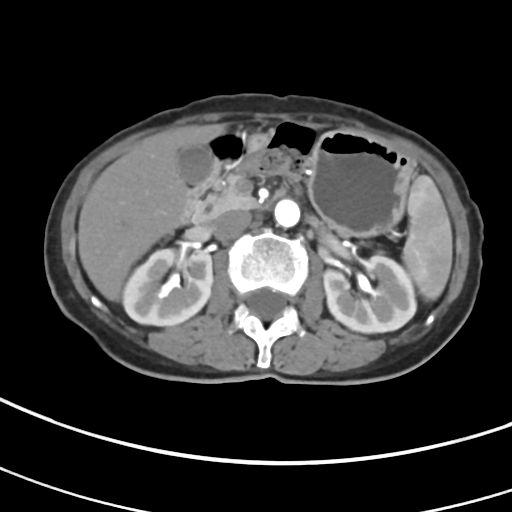

Computed tomography, abdomen · axial view · W/L 400/40 HU · 512x512 px
<organs><organ name="stomach" x1="247" y1="130" x2="412" y2="235"/><organ name="right kidney" x1="122" y1="249" x2="213" y2="326"/><organ name="aorta" x1="274" y1="199" x2="299" y2="227"/><organ name="gall bladder" x1="178" y1="146" x2="213" y2="184"/><organ name="duodenum" x1="182" y1="158" x2="285" y2="223"/><organ name="inferior vena cava" x1="209" y1="210" x2="250" y2="241"/><organ name="spleen" x1="402" y1="175" x2="452" y2="300"/><organ name="pancreas" x1="191" y1="175" x2="345" y2="233"/><organ name="liver" x1="77" y1="123" x2="226" y2="300"/><organ name="left kidney" x1="323" y1="255" x2="416" y2="333"/></organs>